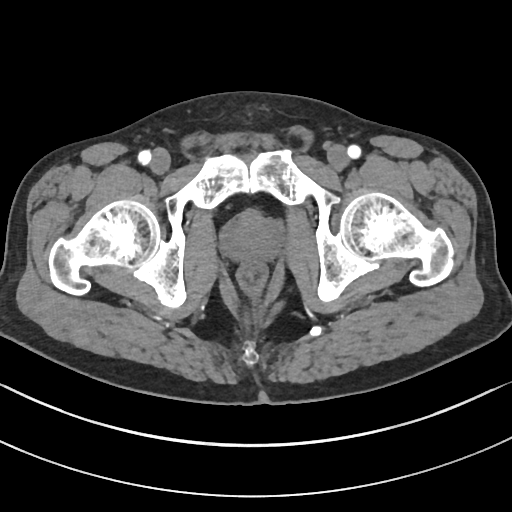 CT, abdomen/pelvis; Axial slice 18/280; 512x512 px; acquired on SOMATOM Force
<organs><organ name="prostate/uterus" x1="223" y1="210" x2="283" y2="262"/></organs>